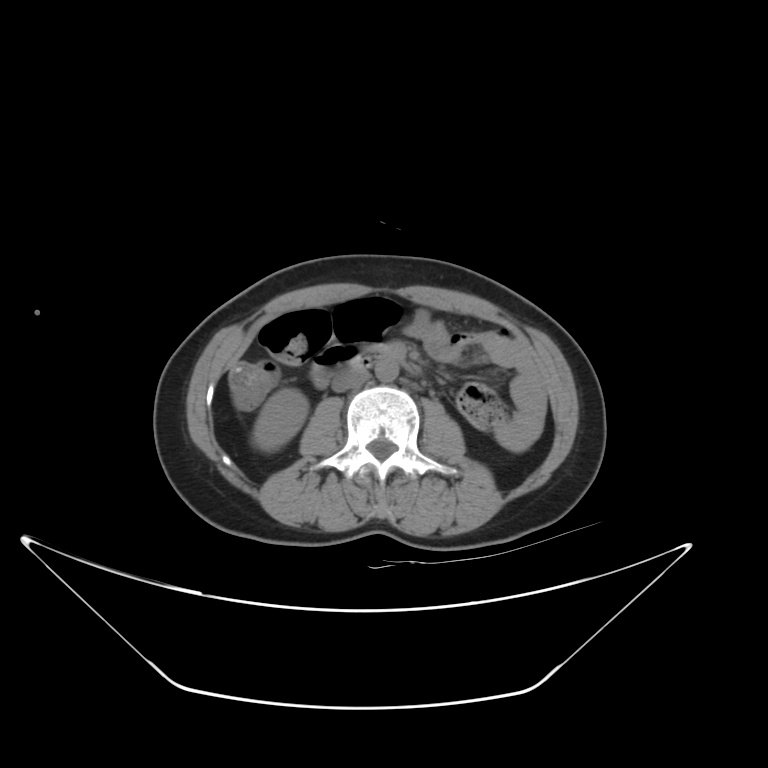
Computed tomography, abdomen — axial view — W/L 400/40 HU
<organs><organ name="duodenum" x1="311" y1="346" x2="392" y2="388"/><organ name="aorta" x1="375" y1="358" x2="398" y2="382"/><organ name="pancreas" x1="368" y1="342" x2="390" y2="352"/><organ name="right kidney" x1="255" y1="389" x2="307" y2="449"/><organ name="inferior vena cava" x1="332" y1="369" x2="369" y2="392"/></organs>